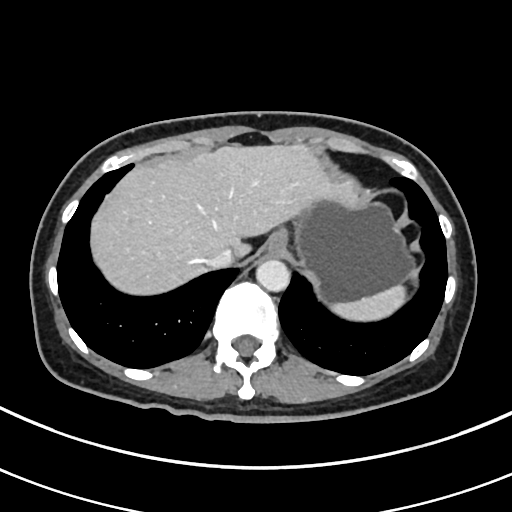
Abdominal CT; axial view; SOMATOM Force scanner; 15 organs annotated in this scan (a whole-scan count: organs this slice does not pass through have no box)
{"organs":{"spleen":[330,286,405,320],"esophagus":[267,229,288,255],"liver":[91,146,353,295],"stomach":[294,202,411,302],"aorta":[256,258,290,292],"inferior vena cava":[205,248,234,267]}}